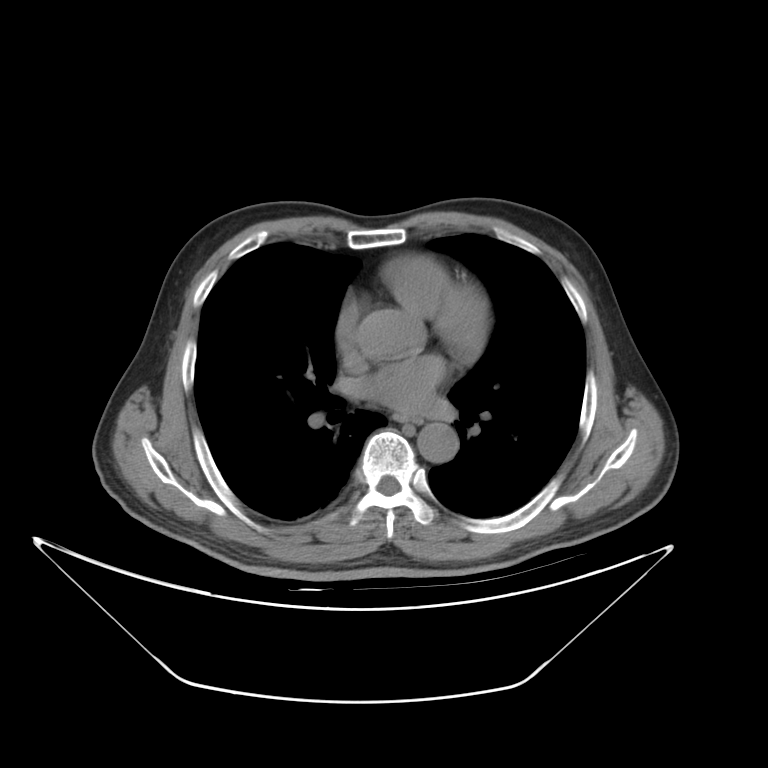 Abdominal CT; this slice is in the lower chest, just above the liver · axial plane, index 97 · soft-tissue window (W 400 / L 40) · 768x768 px
Of the structures in the chest, this dataset labels only the esophagus, the aorta and the inferior vena cava; the heart and lungs have no label.
Boxes: x1:y1:x2:y2 in pixels.
aorta: 416:421:459:462